MRI, abdomen; axial view; 1st–99th percentile window; 320x260 px
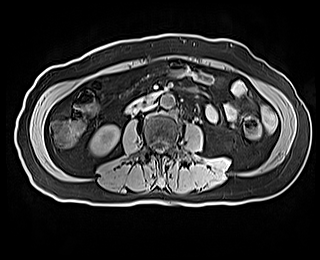

Box edges are left/top/right/bottom in pixels.
right kidney: left=90, top=125, right=119, bottom=155
aorta: left=160, top=94, right=174, bottom=108
inferior vena cava: left=142, top=104, right=155, bottom=111
duodenum: left=125, top=90, right=163, bottom=113